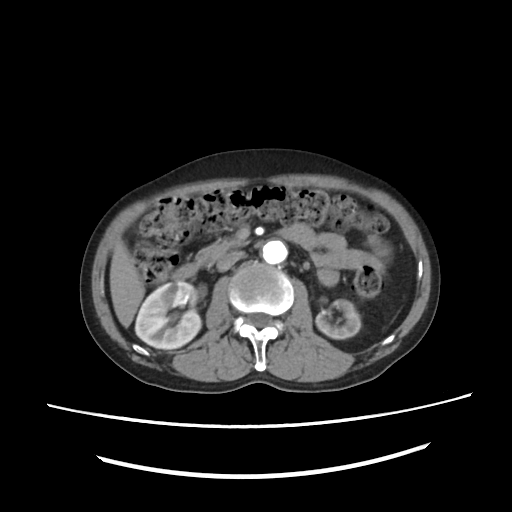
Computed tomography, abdomen · axial plane, index 63 · acquired on Aquilion ONE · 15 organs annotated in this scan (a whole-scan count: organs this slice does not pass through have no box)
Boxes: x1 y1 x2 y2 (pixel coords, space-separated).
Organ bounding boxes:
- right kidney: 136 282 200 349
- left kidney: 316 300 361 339
- liver: 109 242 144 327
- aorta: 262 240 286 264
- inferior vena cava: 216 252 246 272
- pancreas: 192 229 246 264
- duodenum: 171 223 317 280